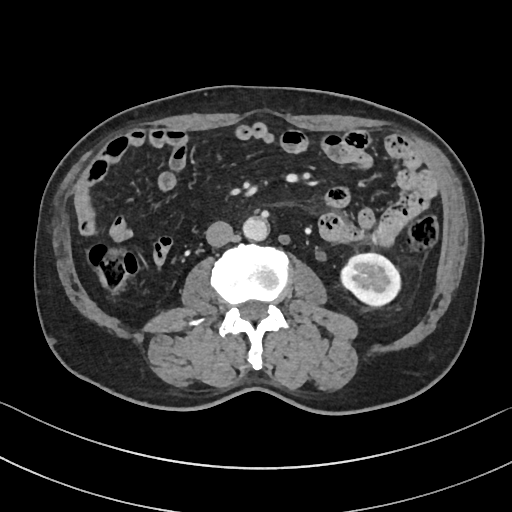

CT abdomen. Axial slice 133/221. soft-tissue window (W 400 / L 40). scan has 14 labeled organs (a whole-scan count: organs this slice does not pass through have no box)
Bounding boxes as [x1, y1, x2, y2] in pixel coordinates. The annotated organs in this slice are: left kidney at [341, 254, 399, 307], aorta at [242, 216, 268, 241], inferior vena cava at [205, 221, 233, 246].